Lower-chest slice from an abdominal CT, just above the liver and spleen; Axial slice 240/244; soft-tissue window
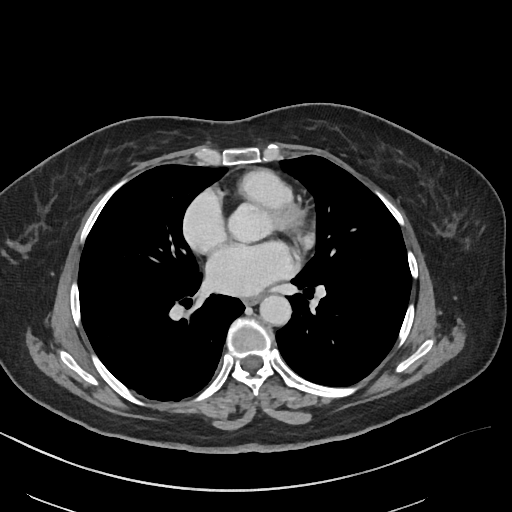
The heart and lungs are never labeled in this dataset, so they have no box on this slice. Bounding boxes as [x1, y1, x2, y2] in pixel coordinates. 2 labeled organs on this slice — esophagus at [244, 297, 259, 305]; aorta at [260, 295, 291, 326].